CT abdomen · axial view · abdomen soft-tissue window · 768x768 px
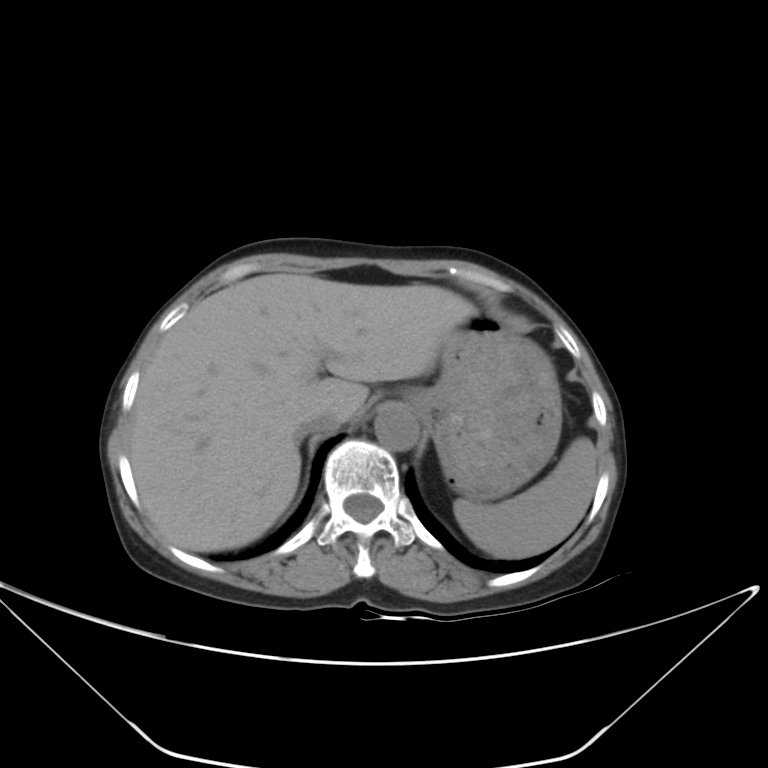 Bounding boxes in pixels, one row per box: x1, y1 is the top-left corner and x2, y2 the bottom-right.
| organ | x1 | y1 | x2 | y2 |
|---|---|---|---|---|
| spleen | 453 | 437 | 596 | 559 |
| liver | 128 | 273 | 474 | 551 |
| stomach | 405 | 310 | 562 | 502 |
| aorta | 375 | 405 | 419 | 451 |
| inferior vena cava | 291 | 414 | 340 | 449 |